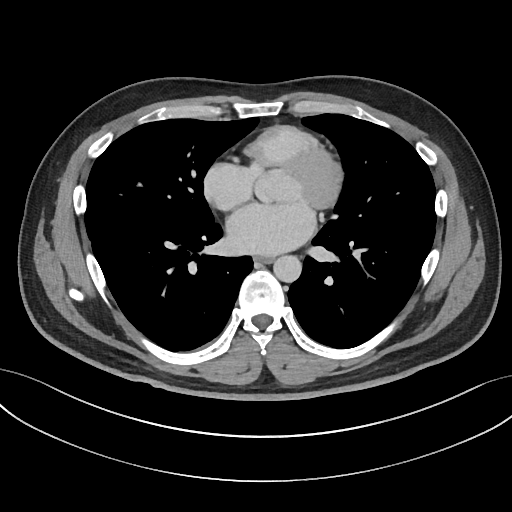 CT of the abdomen reaching into the lower chest, slice just above the liver and spleen · axial plane, index 261 · soft-tissue window, W/L 400/40 · acquired on SOMATOM Force
Of the structures in the chest, this dataset labels only the esophagus, the aorta and the inferior vena cava; the heart and lungs have no label.
Bounding boxes in pixels, one row per box: x1, y1 is the top-left corner and x2, y2 the bottom-right.
| organ | x1 | y1 | x2 | y2 |
|---|---|---|---|---|
| aorta | 273 | 255 | 301 | 282 |
| esophagus | 254 | 255 | 273 | 263 |